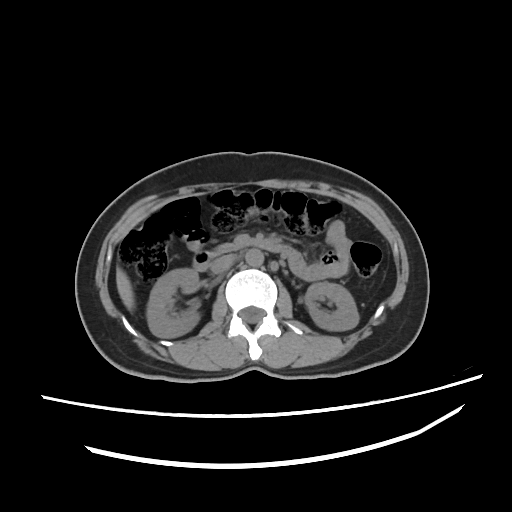
Abdominal CT; axial view; soft-tissue window; 512x512 px; 43-year-old female patient; scan has 15 labeled organs (a whole-scan count: organs this slice does not pass through have no box)
Bounding boxes in pixels, one row per box: x1, y1 is the top-left corner and x2, y2 the bottom-right.
| organ | x1 | y1 | x2 | y2 |
|---|---|---|---|---|
| right kidney | 146 | 268 | 201 | 337 |
| left kidney | 304 | 282 | 359 | 330 |
| liver | 117 | 267 | 135 | 310 |
| aorta | 245 | 248 | 261 | 264 |
| inferior vena cava | 211 | 255 | 234 | 274 |
| duodenum | 193 | 239 | 293 | 271 |